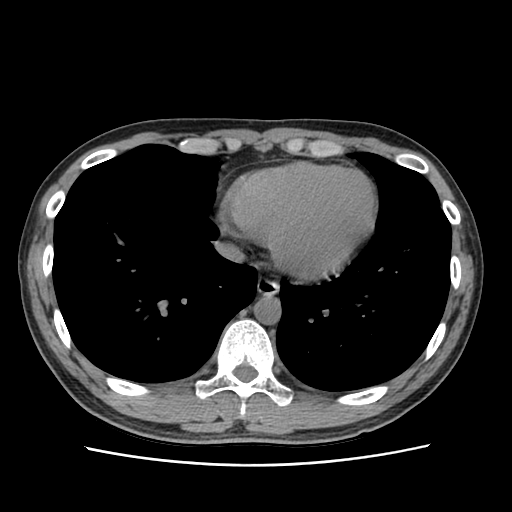 CT of the abdomen reaching into the lower chest, slice just above the liver and spleen · axial plane, index 166 · soft-tissue window, W/L 400/40 · 512x512 px · SOMATOM Force scanner
Of the structures in the chest, this dataset labels only the esophagus, the aorta and the inferior vena cava; the heart and lungs have no label.
Boxes: x1 y1 x2 y2 (pixel coords, space-separated).
Organ bounding boxes:
- inferior vena cava: 214 242 244 262
- aorta: 253 296 280 324
- esophagus: 257 276 278 295